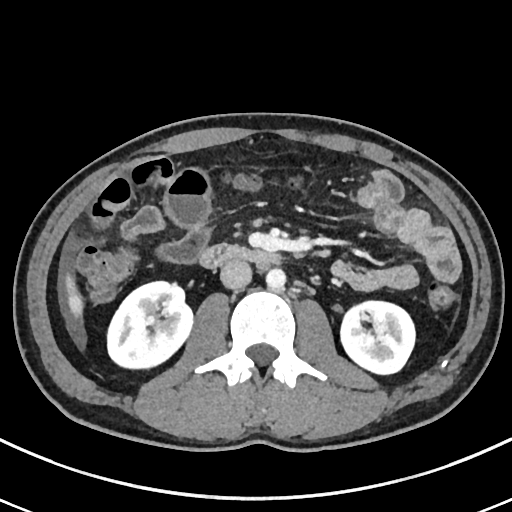

Abdominal CT — Axial slice 128/218 — W/L 400/40 HU
Organ boxes in pixel coordinates; each row gives the top-left (x1, y1) and bottom-right (x2, y2) corners.
| organ | x1 | y1 | x2 | y2 |
|---|---|---|---|---|
| aorta | 266 | 267 | 285 | 288 |
| right kidney | 107 | 281 | 192 | 369 |
| duodenum | 201 | 245 | 280 | 268 |
| liver | 66 | 273 | 82 | 316 |
| left kidney | 341 | 300 | 415 | 373 |
| inferior vena cava | 220 | 260 | 252 | 288 |